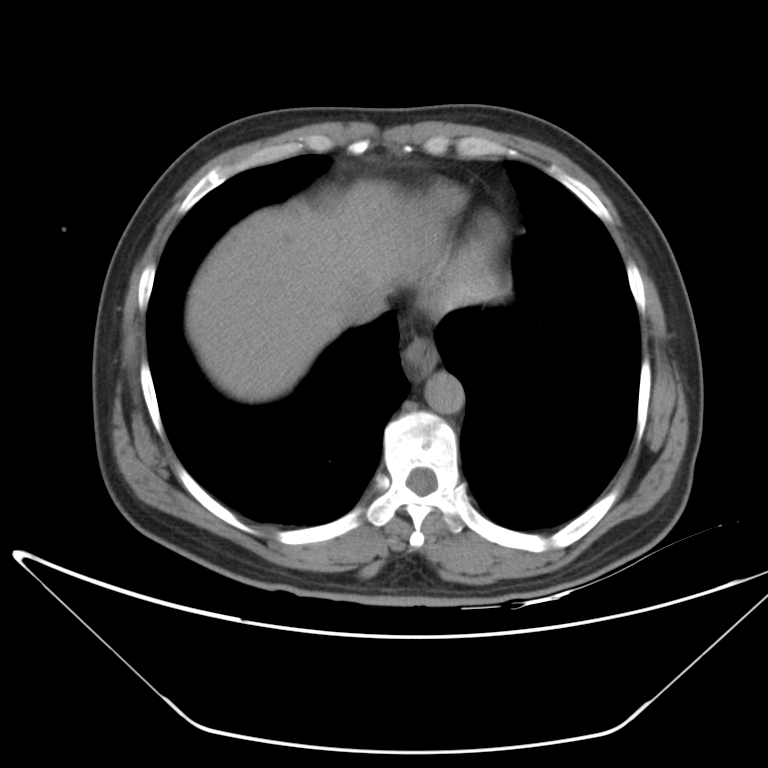
CT abdomen; axial view; soft-tissue window (W 400 / L 40); 768x768 px; 42-year-old male patient
Coordinates as <box>x1,y1,x2,y2</box> in pixels.
esophagus: <box>402,337,438,380</box>
liver: <box>187,181,496,401</box>
aorta: <box>424,372,465,413</box>
inferior vena cava: <box>340,288,384,324</box>